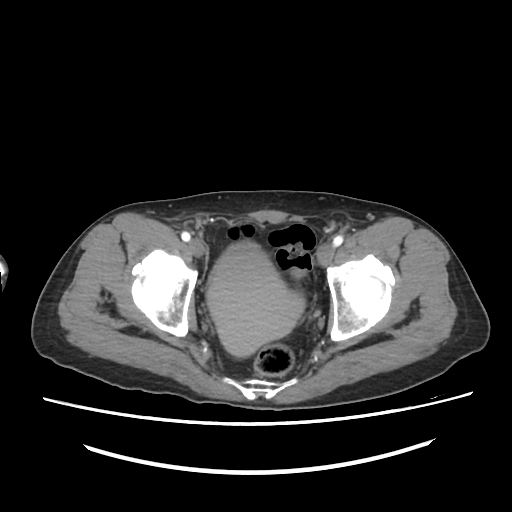

CT, abdomen/pelvis — axial view — 512x512 px — 61-year-old male patient — 14 organs annotated in this scan (a whole-scan count: organs this slice does not pass through have no box)
Boxes are (x1, y1, x2, y2) in pixels.
bladder: (207, 241, 307, 358)